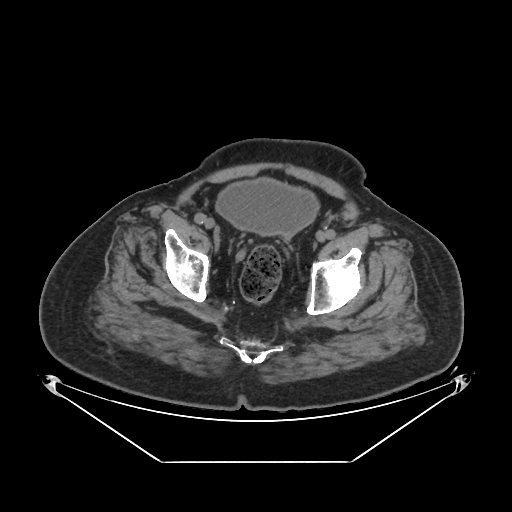
CT abdomen; Axial slice 60/353
Boxes are (x1, y1, x2, y2) in pixels.
bladder: (216, 179, 318, 236)